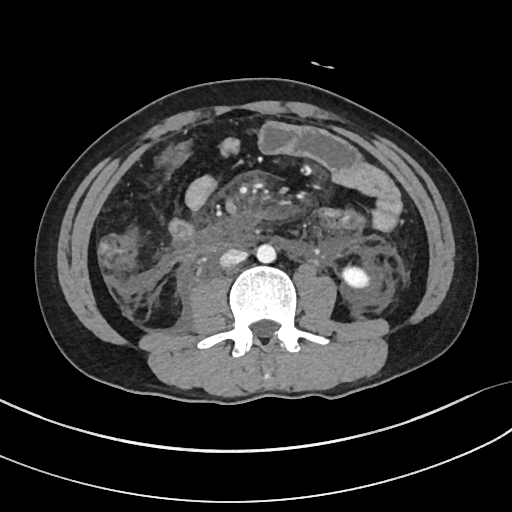
Computed tomography, abdomen · axial view · soft-tissue window (W 400 / L 40) · acquired on SOMATOM Force
Bounding boxes as [x1, y1, x2, y2] in pixel coordinates.
left kidney: [342, 267, 369, 287]
aorta: [256, 244, 275, 263]
inferior vena cava: [220, 249, 247, 267]